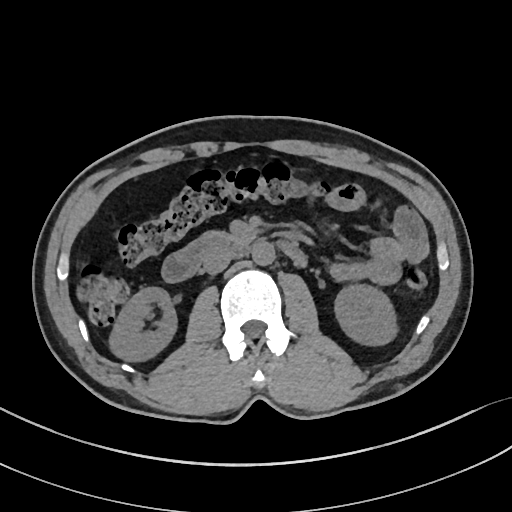 CT, abdomen/pelvis; axial plane, index 146; 512x512 px
{"organs":{"right kidney":[109,287,176,361],"left kidney":[334,284,397,345],"aorta":[252,241,275,265],"inferior vena cava":[202,248,233,274],"pancreas":[204,229,259,241],"duodenum":[161,233,306,282]}}